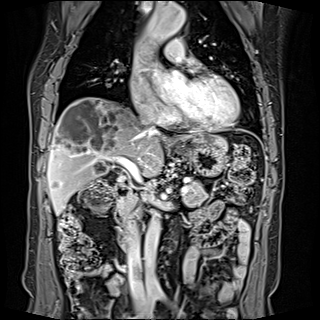 Magnetic resonance imaging, abdomen. Coronal slice 35/60. 320x320 px
<organs><organ name="liver" x1="47" y1="97" x2="227" y2="215"/><organ name="stomach" x1="183" y1="142" x2="227" y2="176"/><organ name="aorta" x1="142" y1="3" x2="185" y2="44"/><organ name="aorta" x1="144" y1="214" x2="167" y2="297"/><organ name="inferior vena cava" x1="127" y1="227" x2="144" y2="302"/><organ name="inferior vena cava" x1="139" y1="114" x2="153" y2="126"/><organ name="pancreas" x1="117" y1="181" x2="209" y2="226"/><organ name="duodenum" x1="114" y1="181" x2="176" y2="249"/></organs>